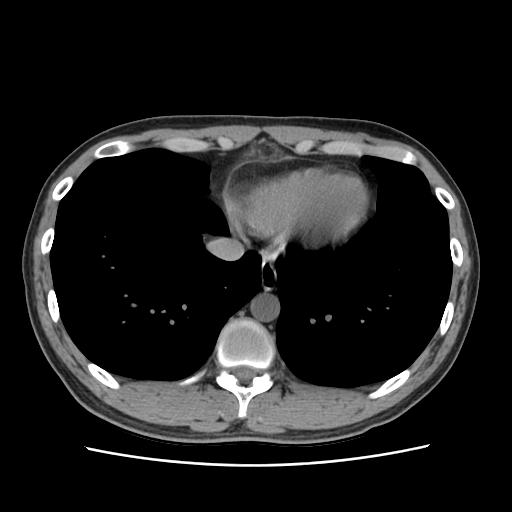 CT of the abdomen reaching into the lower chest, slice just above the liver and spleen; axial plane, index 161; soft-tissue window (W 400 / L 40); 15 organs annotated in this scan (a whole-scan count: organs this slice does not pass through have no box)
No part of the heart or lungs is labeled in this dataset, so neither has a box here.
Boxes: x1:y1:x2:y2 in pixels.
Organ bounding boxes:
- esophagus: 260:266:277:292
- aorta: 250:294:279:321
- inferior vena cava: 209:238:244:261